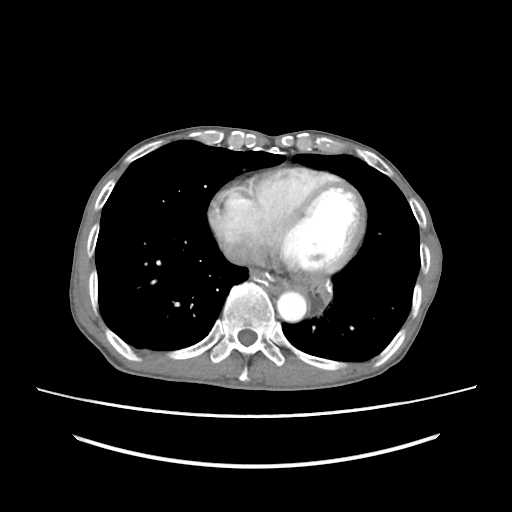

Lower-chest slice from an abdominal CT, just above the liver and spleen. axial view. soft-tissue window (W 400 / L 40). 512x512 px. acquired on Aquilion ONE
The heart and lungs are never labeled in this dataset, so they have no box on this slice.
<organs><organ name="esophagus" x1="250" y1="269" x2="290" y2="292"/><organ name="inferior vena cava" x1="221" y1="241" x2="254" y2="265"/><organ name="aorta" x1="277" y1="291" x2="306" y2="321"/></organs>